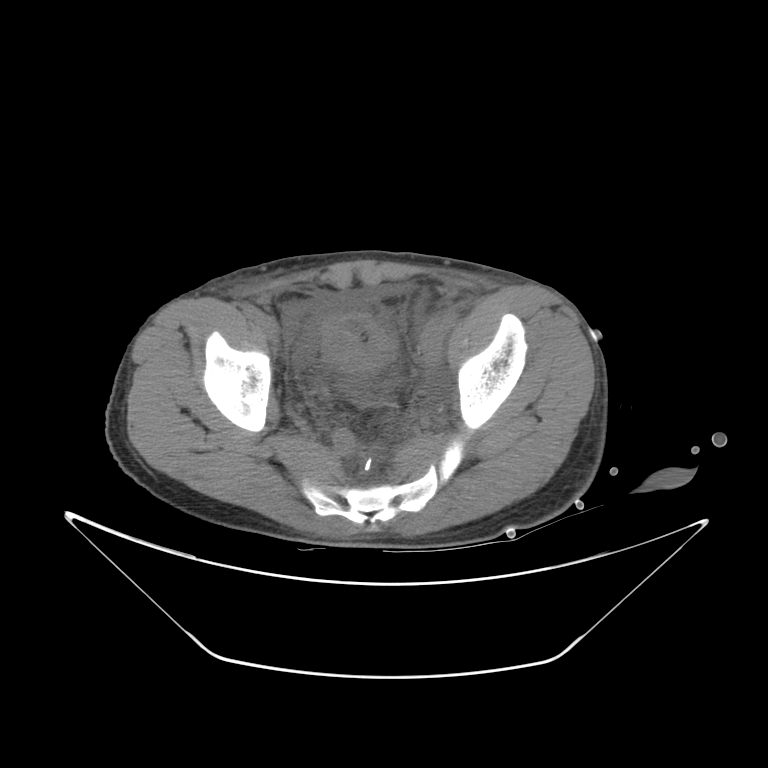 Abdominal CT · Axial slice 22/91 · 39-year-old male patient
{"organs":{"bladder":[325,313,398,367]}}